Computed tomography, abdomen; Axial slice 82/116; abdomen soft-tissue window
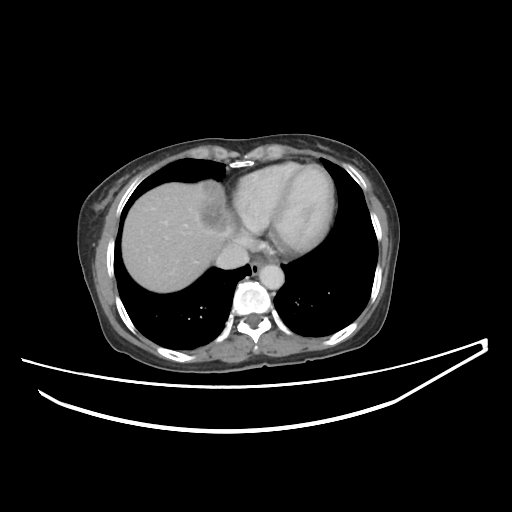
Each box given as x1,y1,x2,y2.
esophagus: x1=250, y1=260, x2=264, y2=275
liver: x1=122, y1=180, x2=237, y2=292
aorta: x1=258, y1=264, x2=284, y2=289
inferior vena cava: x1=216, y1=243, x2=249, y2=268